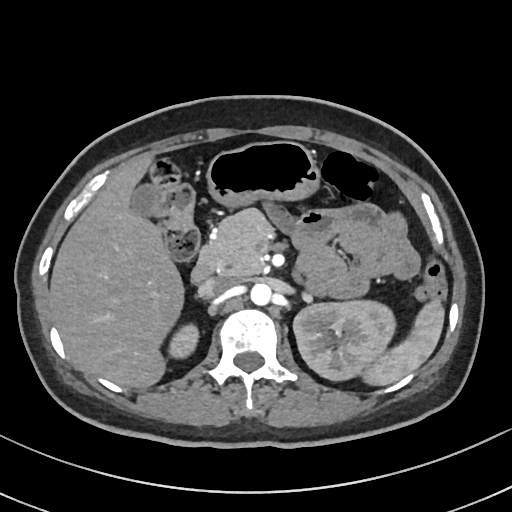
Abdominal CT — axial plane, index 137 — 512x512 px
Each box given as x1,y1,x2,y2.
Organ bounding boxes:
- spleen: x1=362, y1=300, x2=444, y2=385
- right kidney: x1=167, y1=324, x2=197, y2=359
- left kidney: x1=293, y1=300, x2=395, y2=381
- gall bladder: x1=134, y1=187, x2=153, y2=212
- liver: x1=50, y1=155, x2=182, y2=387
- stomach: x1=207, y1=140, x2=319, y2=204
- aorta: x1=249, y1=283, x2=271, y2=305
- inferior vena cava: x1=198, y1=275, x2=238, y2=298
- pancreas: x1=199, y1=209, x2=269, y2=275
- duodenum: x1=189, y1=261, x2=211, y2=284